Computed tomography, abdomen — axial plane, index 66 — soft-tissue window
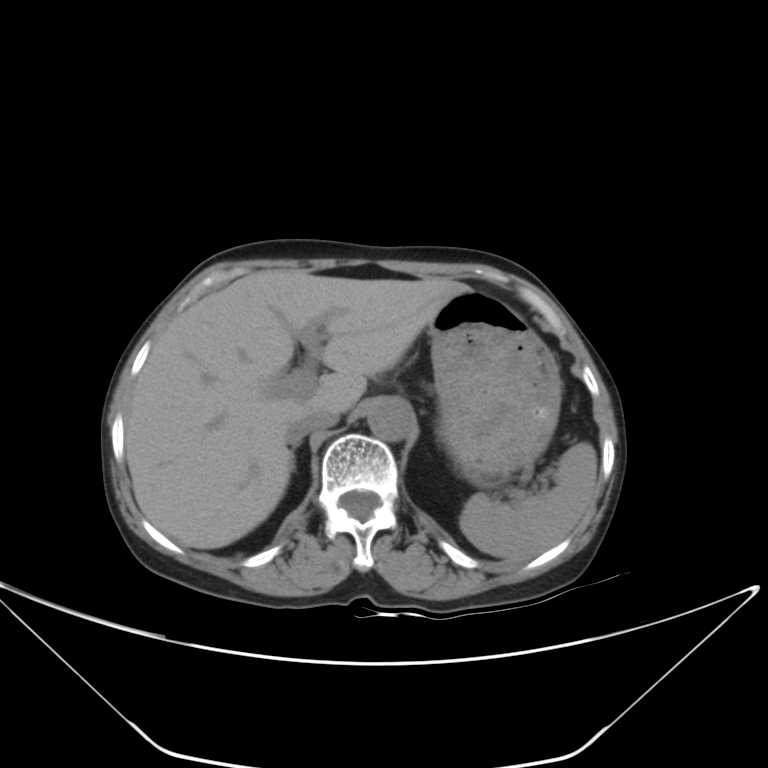

{"organs":{"right adrenal gland":[291,434,304,467],"liver":[125,270,468,548],"spleen":[459,442,596,560],"inferior vena cava":[287,408,339,442],"stomach":[428,289,562,484],"aorta":[367,399,411,441]}}